CT abdomen · axial view · soft-tissue window · 512x512 px · 15 organs annotated in this scan (that count is for the whole scan; organs this slice misses have no box)
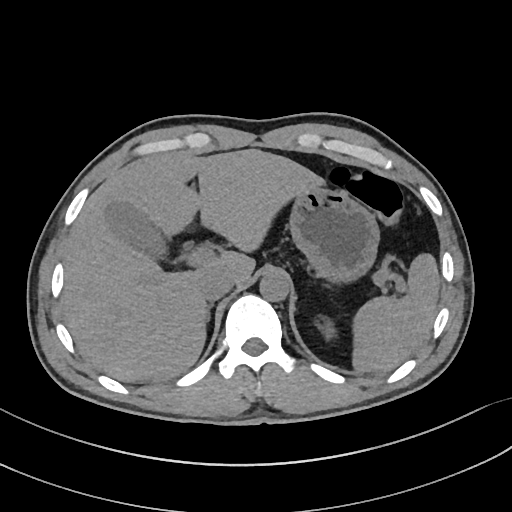 Boxes: x1:y1:x2:y2 in pixels.
spleen: 351:253:439:372
gall bladder: 105:201:162:254
stomach: 290:186:380:280
liver: 63:150:326:382
right adrenal gland: 206:304:215:324
left kidney: 322:321:335:337
aorta: 260:271:291:302
inferior vena cava: 199:269:234:301